CT, abdomen/pelvis · axial view · soft-tissue window · SOMATOM Force scanner
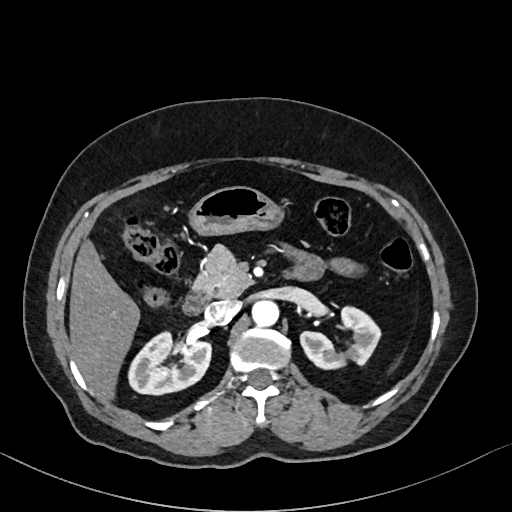
<organs><organ name="right kidney" x1="129" y1="332" x2="210" y2="395"/><organ name="left kidney" x1="300" y1="305" x2="380" y2="370"/><organ name="liver" x1="68" y1="238" x2="140" y2="404"/><organ name="stomach" x1="188" y1="186" x2="285" y2="236"/><organ name="aorta" x1="251" y1="301" x2="278" y2="327"/><organ name="inferior vena cava" x1="204" y1="300" x2="238" y2="325"/><organ name="pancreas" x1="193" y1="244" x2="251" y2="297"/><organ name="duodenum" x1="183" y1="292" x2="208" y2="314"/></organs>